CT of the abdomen reaching into the lower chest, slice just above the liver and spleen. axial view. 512x512 px
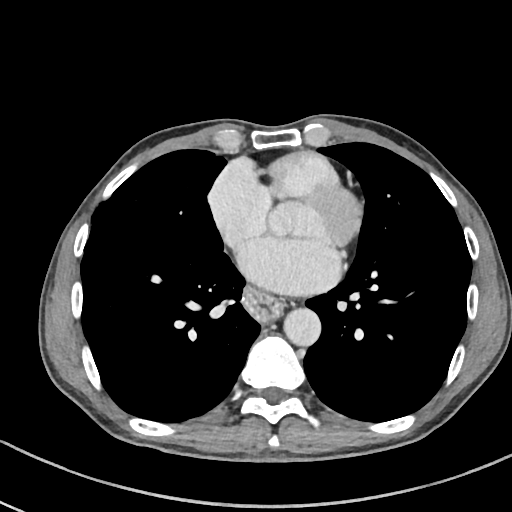

Of the structures in the chest, this dataset labels only the esophagus, the aorta and the inferior vena cava; the heart and lungs have no label.
<organs><organ name="esophagus" x1="245" y1="291" x2="281" y2="323"/><organ name="aorta" x1="283" y1="308" x2="320" y2="346"/></organs>